Abdominal CT — axial view — abdomen soft-tissue window
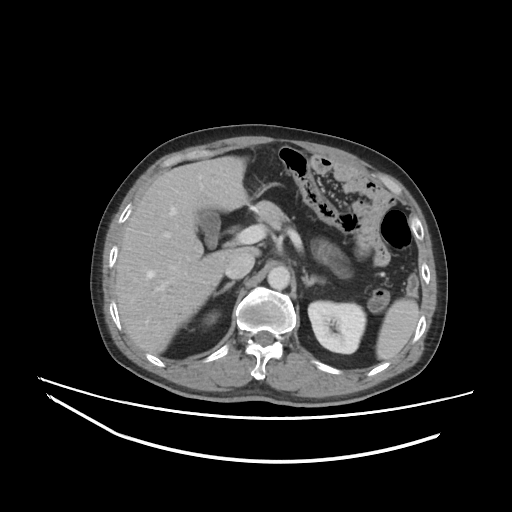
Boxes: x1 y1 x2 y2 (pixel coords, space-separated). Labeled organs on this slice: spleen at 376 299 419 360, right kidney at 201 310 219 325, left kidney at 308 301 366 353, gall bladder at 198 211 220 247, liver at 115 156 259 354, aorta at 267 266 290 290, inferior vena cava at 225 251 254 278, pancreas at 257 201 289 228, right adrenal gland at 213 281 235 296, left adrenal gland at 302 270 324 285.